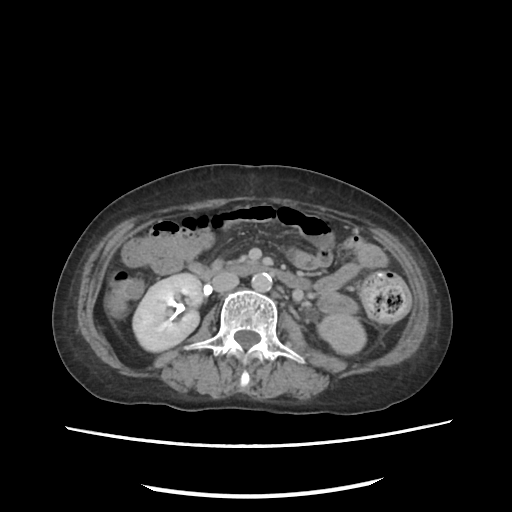
CT abdomen — axial plane, index 49 — 52-year-old female patient — scan has 14 labeled organs (counted over the whole 3D scan, not this slice; an organ is boxed only where this slice passes through it)
Boxes: x1:y1:x2:y2 in pixels. 5 labeled organs on this slice — right kidney at 132:273:201:351; left kidney at 318:314:366:354; aorta at 251:273:271:292; inferior vena cava at 212:271:238:292; duodenum at 226:264:309:288.